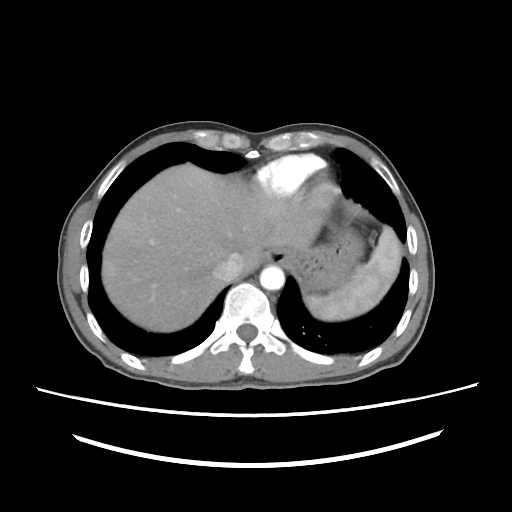
Abdominal CT; axial plane, index 44; abdomen soft-tissue window; 512x512 px; 51-year-old male patient
Box edges are left/top/right/bottom in pixels.
Organ bounding boxes:
- esophagus: left=262, top=250, right=296, bottom=266
- inferior vena cava: left=214, top=252, right=244, bottom=279
- stomach: left=292, top=217, right=365, bottom=291
- liver: left=101, top=163, right=323, bottom=331
- aorta: left=260, top=265, right=284, bottom=289
- spleen: left=305, top=226, right=401, bottom=320